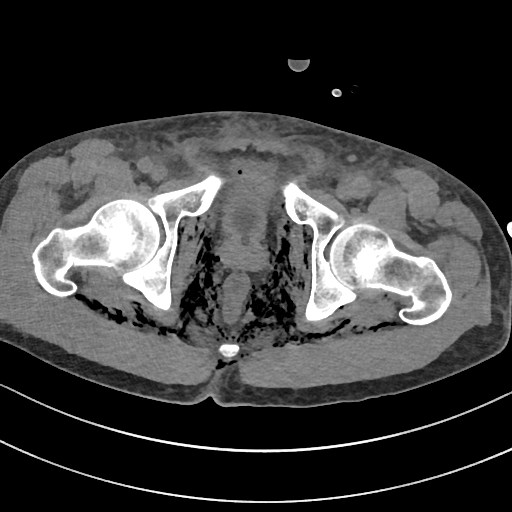
CT abdomen. axial view. 512x512 px. 15 organs annotated in this scan (a whole-scan count: organs this slice does not pass through have no box)
Boxes: x1:y1:x2:y2 in pixels.
bladder: 221:159:280:239
prostate/uterus: 222:239:265:269